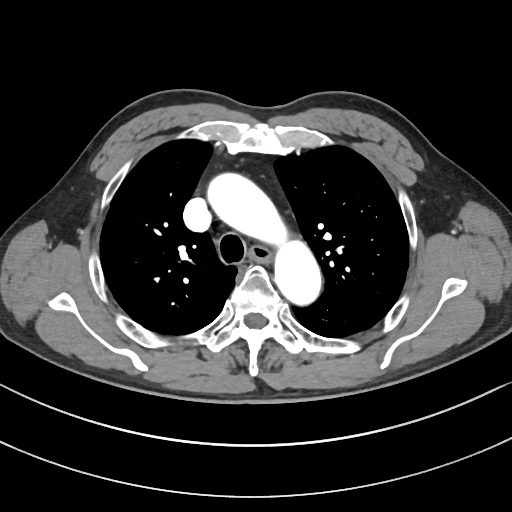 CT of the abdomen extending into the chest, slice through the chest; axial view; 512x512 px
At this level of the chest this dataset labels only the esophagus and the aorta, and each is boxed only where it is labeled; the heart and lungs are never labeled. Boxes: x1:y1:x2:y2 in pixels. Labeled organs on this slice: esophagus at 249:246:268:260, aorta at 206:173:320:303.